Computed tomography, abdomen. Axial slice 100/100
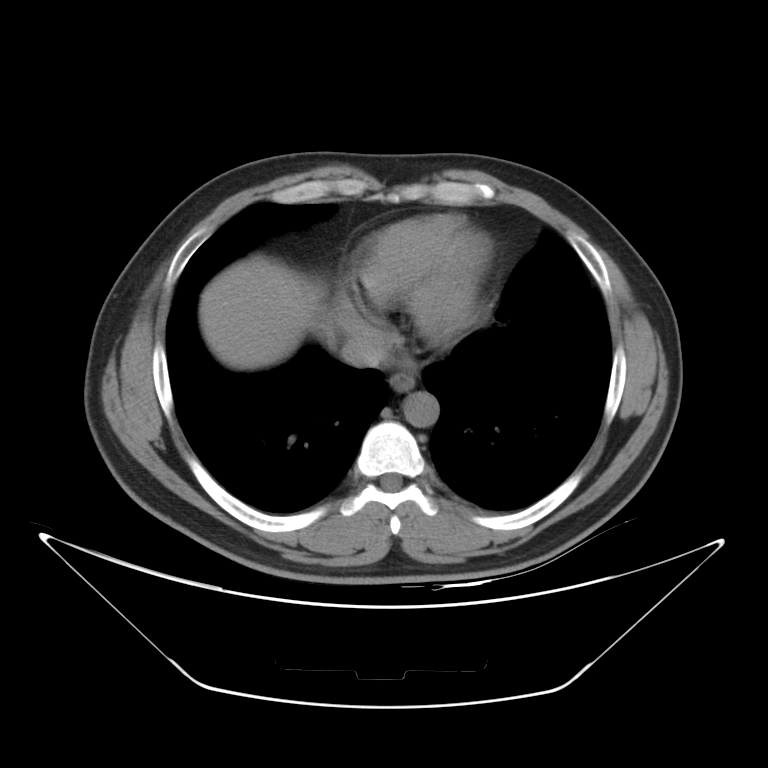 Boxes are (x1, y1, x2, y2) in pixels. The annotated organs in this slice are: aorta at (403, 392, 439, 427), liver at (199, 255, 322, 369), inferior vena cava at (341, 329, 386, 367), esophagus at (390, 373, 415, 391).